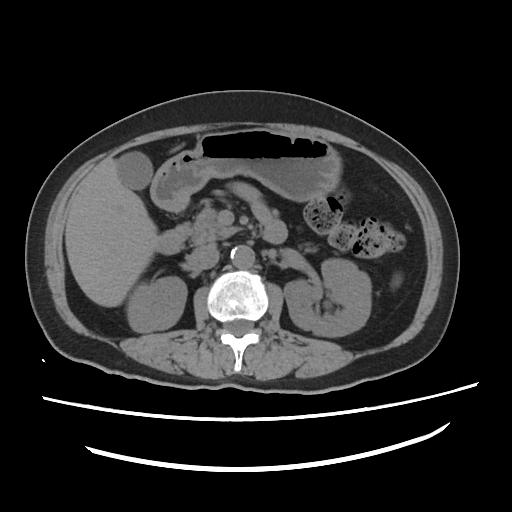 CT abdomen. axial plane, index 58. soft-tissue window. acquired on Aquilion ONE
Coordinates as <box>x1,y1,x2,y2</box> in pixels.
gall bladder: <box>117,151,152,190</box>
right kidney: <box>126,276,186,332</box>
pancreas: <box>174,201,315,251</box>
inferior vena cava: <box>189,243,219,269</box>
liver: <box>65,157,157,307</box>
left kidney: <box>284,259,371,337</box>
stomach: <box>150,128,341,211</box>
aorta: <box>230,245,254,268</box>
duodenum: <box>155,214,287,254</box>
spleen: <box>393,275,400,285</box>